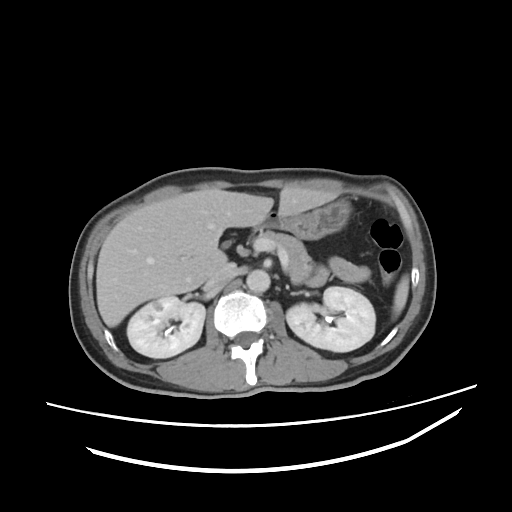
Abdominal CT. Axial slice 68/131. W/L 400/40 HU. 49-year-old male patient
Boxes are (x1, y1, x2, y2) in pixels. 10 labeled organs on this slice — inferior vena cava at (206, 263, 235, 289); gall bladder at (222, 241, 231, 249); liver at (96, 186, 336, 327); left kidney at (286, 286, 375, 351); pancreas at (260, 230, 312, 283); duodenum at (261, 213, 280, 227); aorta at (246, 269, 270, 292); spleen at (393, 275, 409, 317); stomach at (278, 199, 350, 239); right kidney at (127, 296, 205, 357).